CT, abdomen/pelvis; axial view; acquired on SOMATOM Force
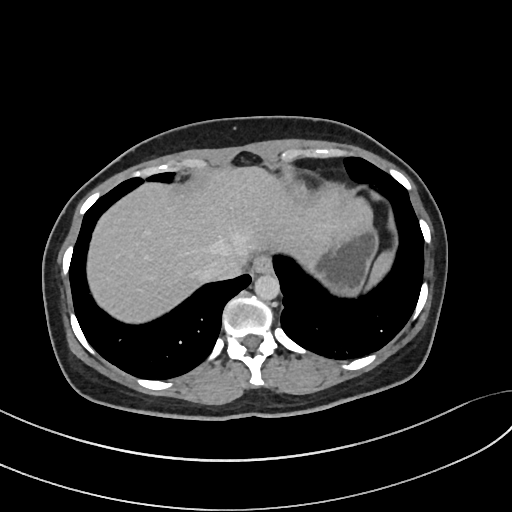 Each box given as x1,y1,x2,y2.
Organ bounding boxes:
- spleen: x1=368, y1=251, x2=392, y2=286
- esophagus: x1=253, y1=254, x2=272, y2=273
- liver: x1=87, y1=166, x2=374, y2=323
- inferior vena cava: x1=202, y1=252, x2=247, y2=281
- stomach: x1=305, y1=226, x2=377, y2=295
- aorta: x1=254, y1=273, x2=279, y2=300